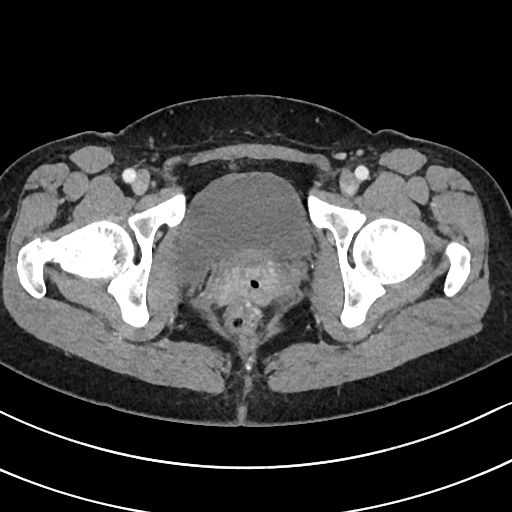 Computed tomography, abdomen. axial view
Boxes: x1 y1 x2 y2 (pixel coords, space-separated). Labeled organs on this slice: bladder at 176 174 311 283.